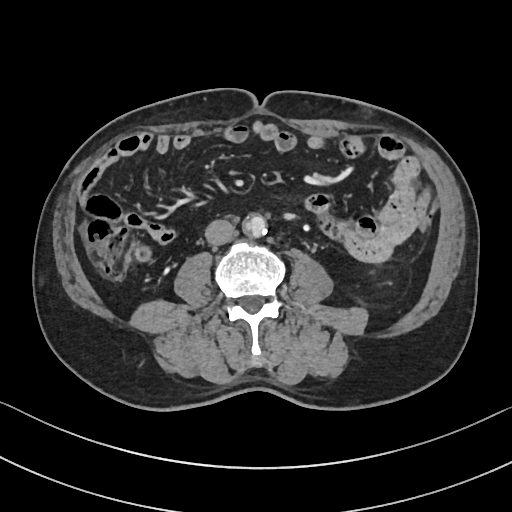 CT abdomen. axial view. 512x512 px. 14 organs annotated in this scan (that count is for the whole scan; organs this slice misses have no box)
{"organs":{"aorta":[243,215,267,237],"inferior vena cava":[205,219,233,245]}}